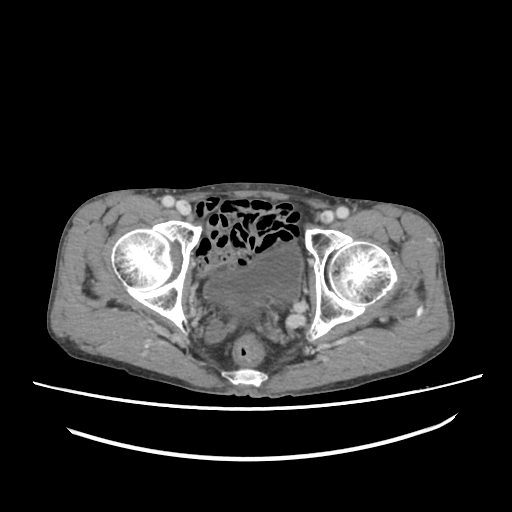

Computed tomography, abdomen. axial view. W/L 400/40 HU. 59-year-old male patient
Box edges are left/top/right/bottom in pixels.
Organ bounding boxes:
- bladder: left=204, top=247, right=302, bottom=311